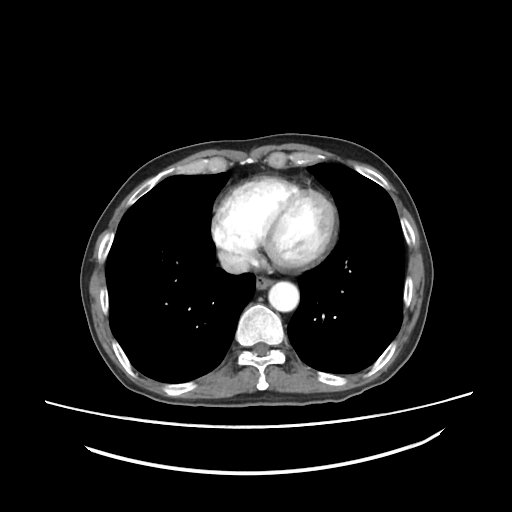

Lower-chest slice from an abdominal CT, just above the liver and spleen · axial view · soft-tissue window, W/L 400/40 · 68-year-old male patient · acquired on Aquilion ONE
No part of the heart or lungs is labeled in this dataset, so neither has a box here.
One row per box, in pixels: columns x1 and y1 give the top-left corner, x2 and y2 the bottom-right.
| organ | x1 | y1 | x2 | y2 |
|---|---|---|---|---|
| esophagus | 255 | 276 | 272 | 289 |
| aorta | 268 | 281 | 299 | 311 |
| inferior vena cava | 218 | 251 | 249 | 274 |